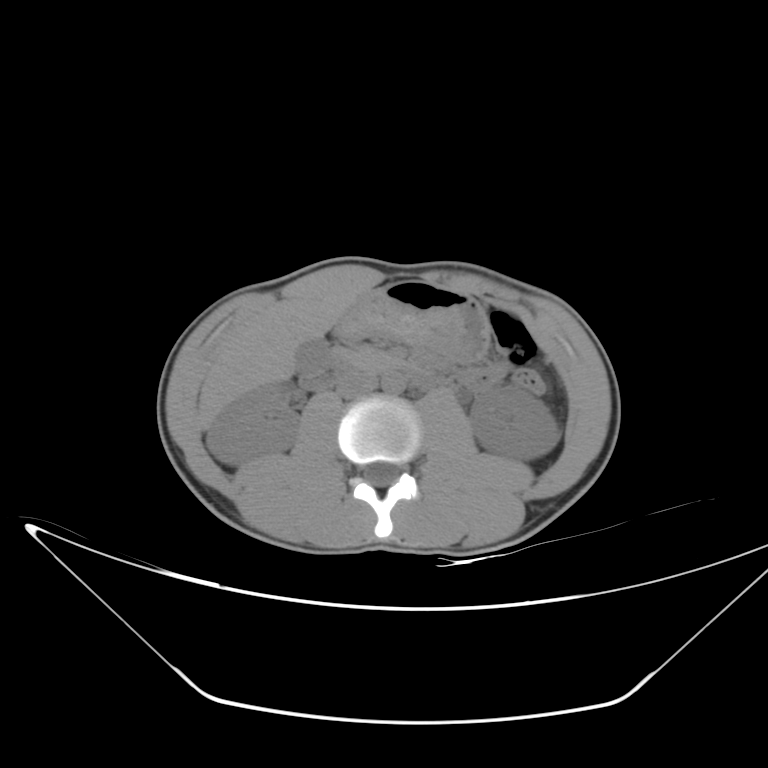
CT, abdomen/pelvis. axial view. soft-tissue window
{"organs":{"inferior vena cava":[337,371,377,398],"aorta":[381,372,405,395],"duodenum":[300,353,437,390],"pancreas":[336,347,396,371],"stomach":[340,281,490,362],"liver":[198,286,358,427],"gall bladder":[296,339,327,367],"left kidney":[469,387,560,459],"right kidney":[207,383,299,464]}}